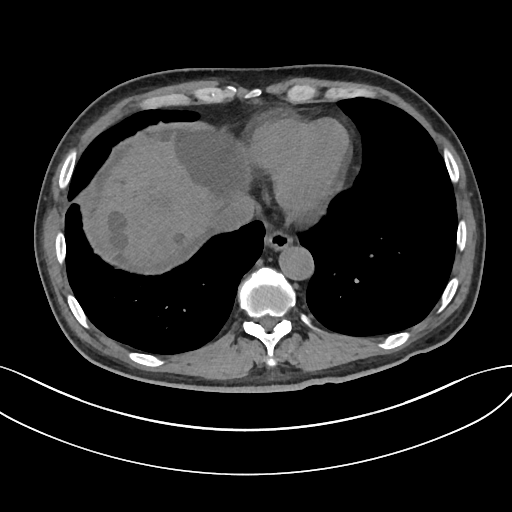
CT abdomen — axial view — soft-tissue window — SOMATOM Force scanner
Boxes are (x1, y1, x2, y2) in pixels. 4 labeled organs on this slice — esophagus at (265, 230, 293, 250); liver at (95, 128, 248, 267); aorta at (279, 246, 314, 280); inferior vena cava at (213, 194, 256, 231).